Abdominal CT; this slice is in the lower chest, just above the liver; axial view; 512x512 px; 14 organs annotated in this scan (a whole-scan count: organs this slice does not pass through have no box)
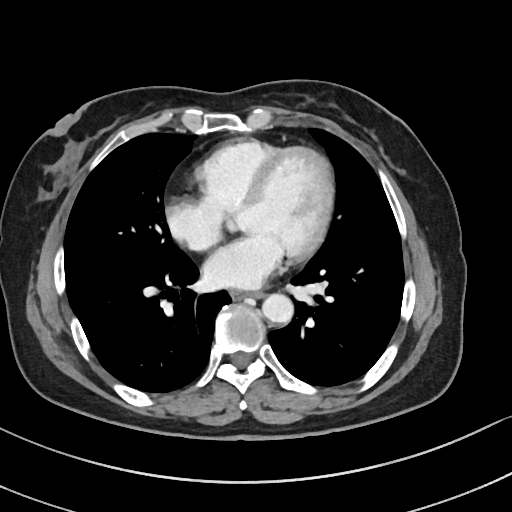

Of the structures in the chest, this dataset labels only the esophagus, the aorta and the inferior vena cava; the heart and lungs have no label.
Bounding boxes in pixels, one row per box: x1, y1 is the top-left corner and x2, y2 the bottom-right.
| organ | x1 | y1 | x2 | y2 |
|---|---|---|---|---|
| esophagus | 230 | 289 | 264 | 299 |
| aorta | 263 | 293 | 294 | 323 |